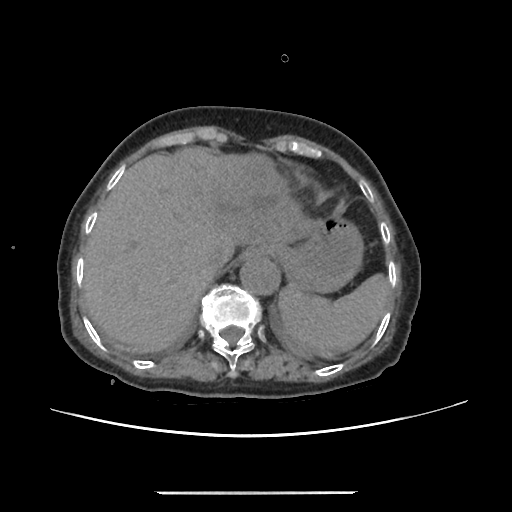

Computed tomography, abdomen. axial view. W/L 400/40 HU. SOMATOM Force scanner
Organ boxes in pixel coordinates; each row gives the top-left (x1, y1) and bottom-right (x2, y2) corners.
| organ | x1 | y1 | x2 | y2 |
|---|---|---|---|---|
| spleen | 278 | 274 | 387 | 350 |
| esophagus | 240 | 247 | 265 | 262 |
| liver | 83 | 147 | 315 | 351 |
| stomach | 264 | 215 | 362 | 293 |
| aorta | 240 | 257 | 280 | 295 |
| inferior vena cava | 205 | 244 | 232 | 273 |